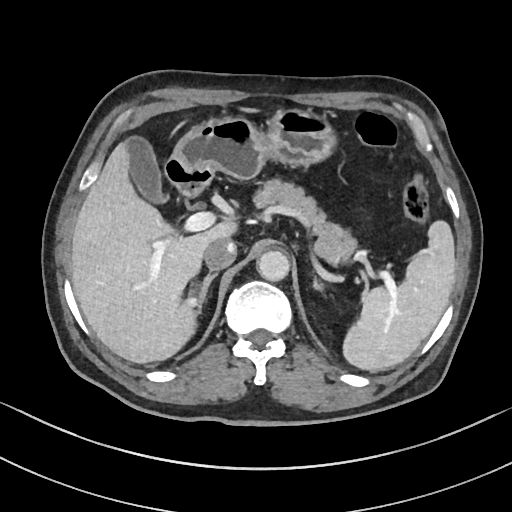

CT, abdomen/pelvis — axial view — W/L 400/40 HU
Bounding boxes as [x1, y1, x2, y2] in pixel coordinates.
Organ bounding boxes:
- spleen: [342, 220, 455, 371]
- gall bladder: [127, 137, 170, 205]
- liver: [70, 106, 258, 363]
- stomach: [169, 107, 335, 181]
- aorta: [257, 251, 289, 282]
- inferior vena cava: [204, 239, 236, 270]
- pancreas: [255, 180, 355, 265]
- right adrenal gland: [199, 274, 217, 309]
- left adrenal gland: [313, 277, 321, 290]
- duodenum: [164, 158, 211, 196]